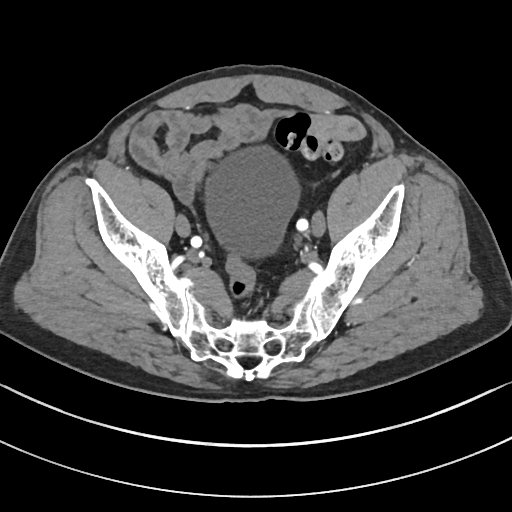
Computed tomography, abdomen — axial plane, index 46 — W/L 400/40 HU — SOMATOM Force scanner
Box edges are left/top/right/bottom in pixels.
bladder: left=206, top=146, right=299, bottom=256